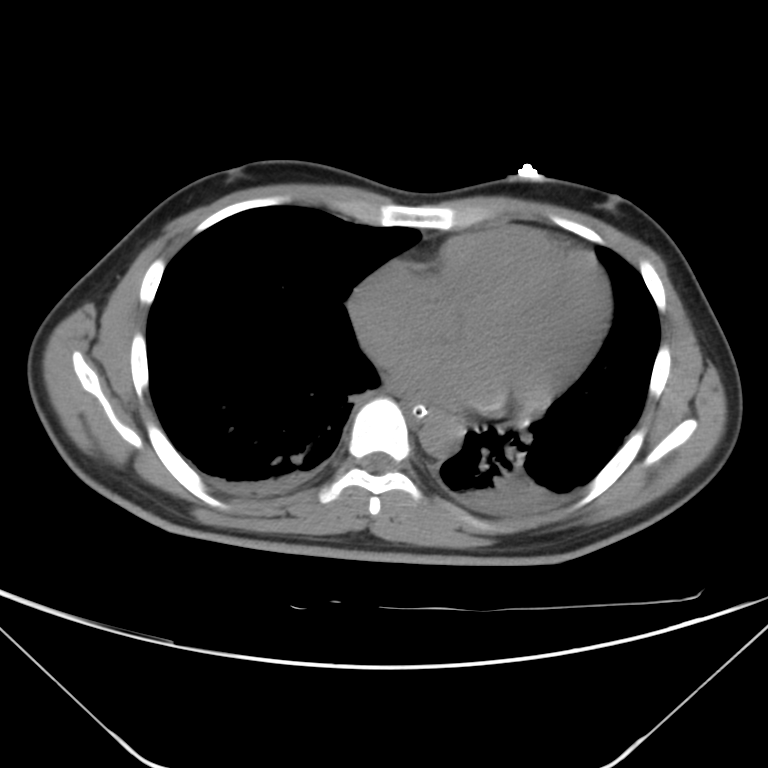
Lower-chest slice from an abdominal CT, just above the liver and spleen · axial view · soft-tissue window · 768x768 px · 24-year-old male patient · Brilliance16 scanner
The heart and lungs are never labeled in this dataset, so they have no box on this slice.
One row per box, in pixels: columns x1 and y1 give the top-left corner, x2 and y2 the bottom-right.
| organ | x1 | y1 | x2 | y2 |
|---|---|---|---|---|
| esophagus | 405 | 400 | 432 | 419 |
| aorta | 418 | 413 | 463 | 458 |